CT, abdomen/pelvis — Axial slice 12/87 — W/L 400/40 HU — 55-year-old male patient
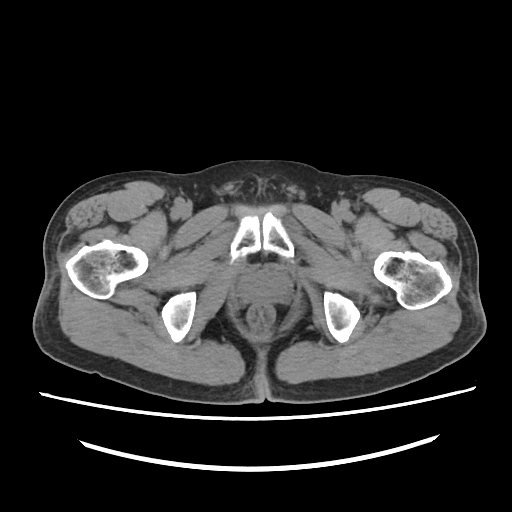 Bounding boxes in pixels, one row per box: x1, y1 is the top-left corner and x2, y2 the bottom-right.
| organ | x1 | y1 | x2 | y2 |
|---|---|---|---|---|
| prostate/uterus | 239 | 271 | 288 | 301 |